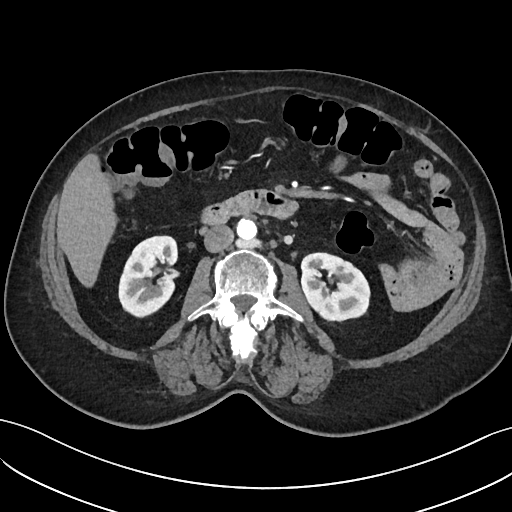
Computed tomography, abdomen. Axial slice 112/276. SOMATOM Force scanner
{"organs":{"right kidney":[119,236,177,316],"left kidney":[301,253,369,320],"liver":[57,154,115,287],"aorta":[236,219,256,240],"inferior vena cava":[203,225,233,252],"duodenum":[201,190,297,225]}}